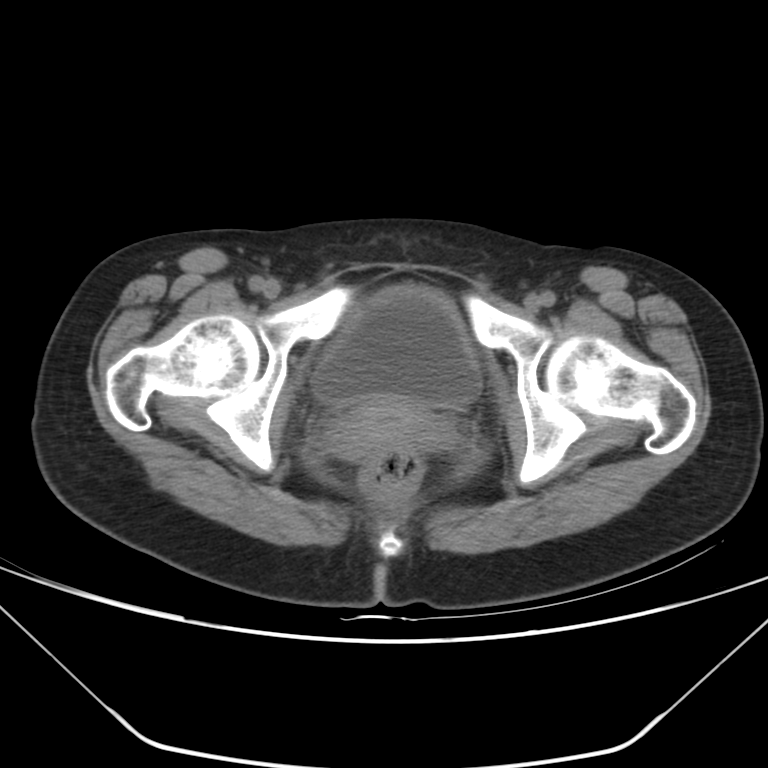
CT, abdomen/pelvis. axial view
Coordinates as <box>x1,y1,x2,y2</box> in pixels. Labeled organs on this slice: bladder at <box>313,286,481,407</box>, prostate/uterus at <box>326,399,452,459</box>.